Abdominal CT. Axial slice 11/94. soft-tissue window (W 400 / L 40). 66-year-old female patient
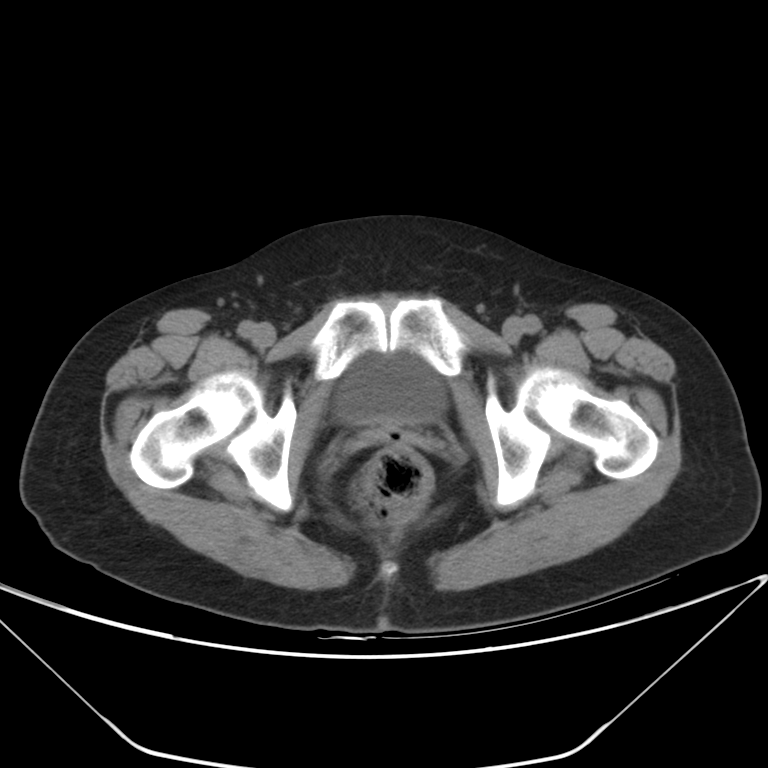 Boxes: x1:y1:x2:y2 in pixels.
Organ bounding boxes:
- bladder: 335:355:446:424